Abdominal CT · axial view · 512x512 px · 43-year-old female patient · Aquilion ONE scanner
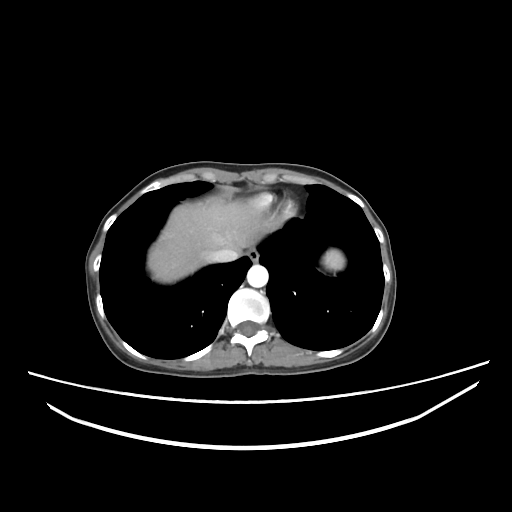
Box edges are left/top/right/bottom in pixels. 5 labeled organs on this slice — inferior vena cava at left=211, top=248, right=238, bottom=262; aorta at left=247, top=264, right=268, bottom=287; liver at left=147, top=198, right=263, bottom=282; esophagus at left=247, top=247, right=260, bottom=262; spleen at left=324, top=250, right=344, bottom=269.